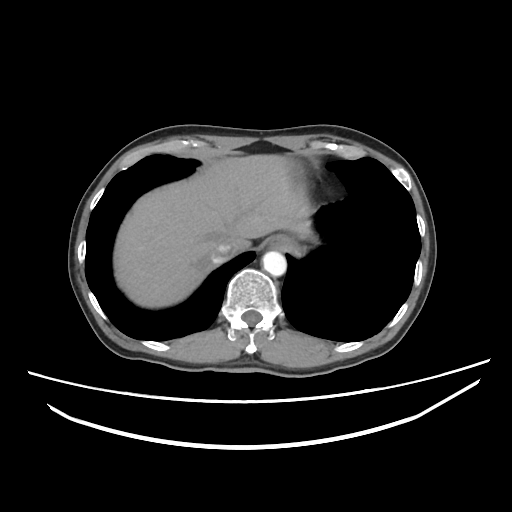

CT abdomen. axial view. W/L 400/40 HU. 512x512 px. 63-year-old male patient
{"organs":{"esophagus":[269,234,302,257],"liver":[114,154,311,308],"aorta":[262,251,286,276],"inferior vena cava":[212,241,232,264]}}